Chest-level slice from an abdominal CT that extends up into the chest · Axial slice 113/116 · soft-tissue window · 512x512 px
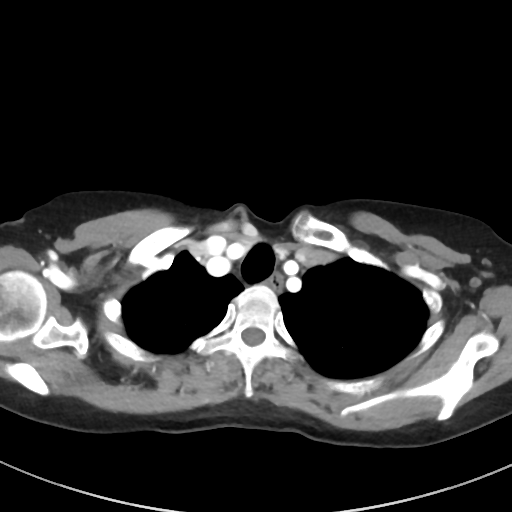 On a slice this high in the chest, this dataset labels only the esophagus and the aorta, and each is boxed only where it is labeled; the heart, lungs and other chest structures are not labeled.
Box edges are left/top/right/bottom in pixels.
esophagus: left=266, top=276, right=280, bottom=290